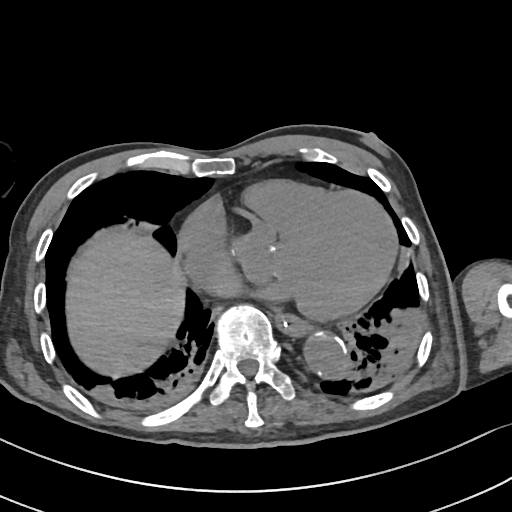
Abdominal CT — axial plane, index 193 — acquired on SOMATOM Force
Organ boxes in pixel coordinates; each row gives the top-left (x1, y1) and bottom-right (x2, y2) corners.
| organ | x1 | y1 | x2 | y2 |
|---|---|---|---|---|
| esophagus | 275 | 311 | 309 | 336 |
| liver | 68 | 232 | 186 | 377 |
| aorta | 305 | 335 | 347 | 377 |